Abdominal CT; axial view
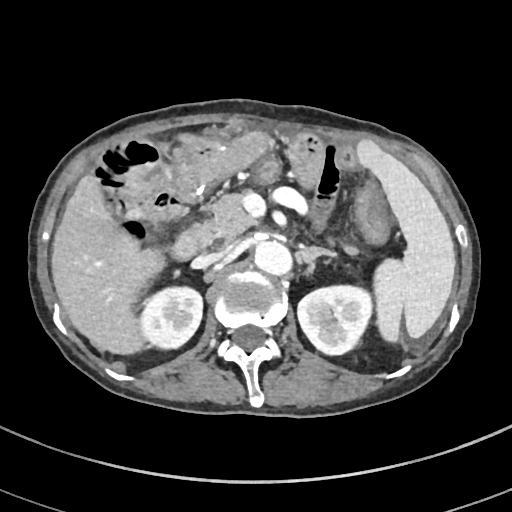 <organs><organ name="spleen" x1="357" y1="140" x2="455" y2="342"/><organ name="right kidney" x1="139" y1="286" x2="202" y2="349"/><organ name="left kidney" x1="298" y1="285" x2="372" y2="354"/><organ name="liver" x1="51" y1="133" x2="215" y2="354"/><organ name="aorta" x1="254" y1="241" x2="292" y2="275"/><organ name="inferior vena cava" x1="192" y1="251" x2="229" y2="269"/><organ name="pancreas" x1="191" y1="194" x2="358" y2="255"/><organ name="left adrenal gland" x1="301" y1="246" x2="335" y2="273"/><organ name="duodenum" x1="171" y1="225" x2="202" y2="260"/></organs>